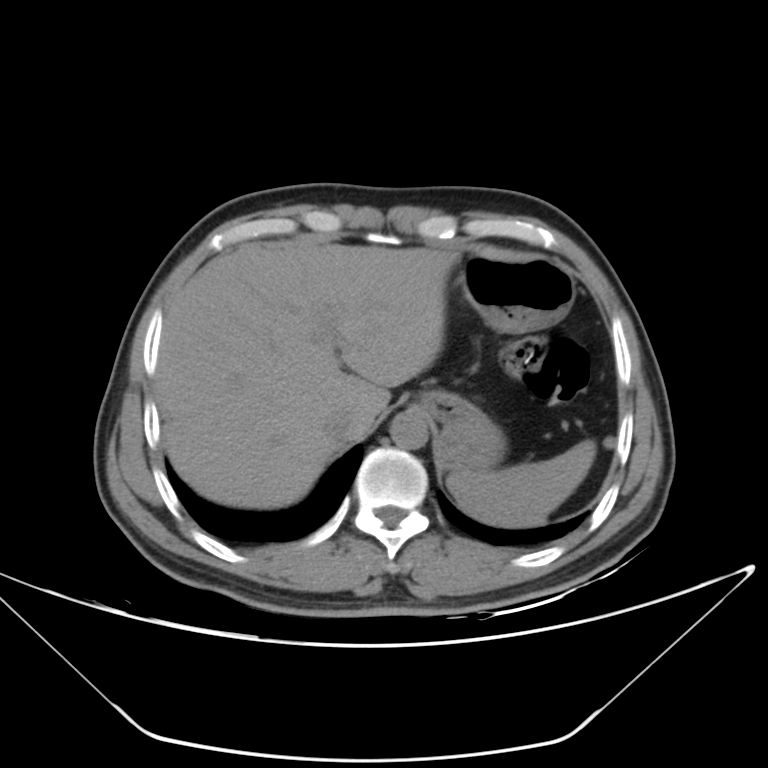 Computed tomography, abdomen; axial plane, index 83; 50-year-old male patient
{"organs":{"aorta":[390,410,428,449],"inferior vena cava":[324,409,357,441],"liver":[155,240,460,509],"stomach":[421,253,574,472],"spleen":[447,439,595,527]}}